CT, abdomen/pelvis. axial view. soft-tissue window. acquired on Aquilion ONE. scan has 15 labeled organs (that count is for the whole scan; organs this slice misses have no box)
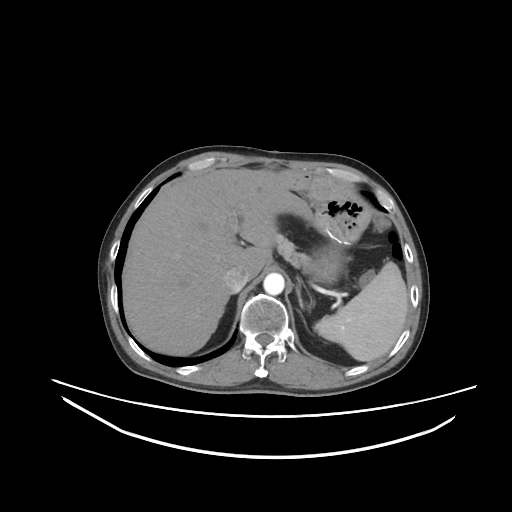

<organs><organ name="inferior vena cava" x1="223" y1="267" x2="247" y2="293"/><organ name="aorta" x1="263" y1="273" x2="284" y2="295"/><organ name="left adrenal gland" x1="296" y1="287" x2="303" y2="308"/><organ name="pancreas" x1="272" y1="231" x2="310" y2="274"/><organ name="liver" x1="122" y1="168" x2="311" y2="355"/><organ name="stomach" x1="308" y1="241" x2="349" y2="282"/><organ name="spleen" x1="314" y1="262" x2="408" y2="361"/></organs>